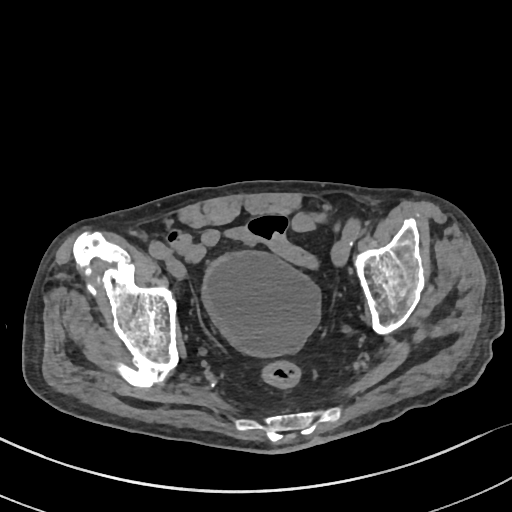

Abdominal CT — Axial slice 40/208 — soft-tissue window
Boxes are (x1, y1, x2, y2) in pixels.
bladder: (204, 250, 321, 358)